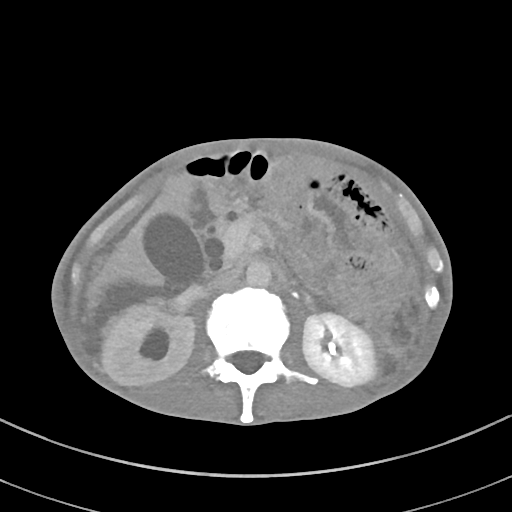

Computed tomography, abdomen — axial view — soft-tissue window
Organ boxes in pixel coordinates; each row gives the top-left (x1, y1) and bottom-right (x2, y2) corners.
| organ | x1 | y1 | x2 | y2 |
|---|---|---|---|---|
| right kidney | 101 | 304 | 194 | 385 |
| left kidney | 175 | 313 | 375 | 386 |
| gall bladder | 142 | 212 | 207 | 286 |
| liver | 96 | 172 | 193 | 285 |
| aorta | 246 | 260 | 271 | 286 |
| inferior vena cava | 214 | 271 | 236 | 286 |
| pancreas | 220 | 210 | 263 | 238 |
| duodenum | 187 | 188 | 216 | 228 |